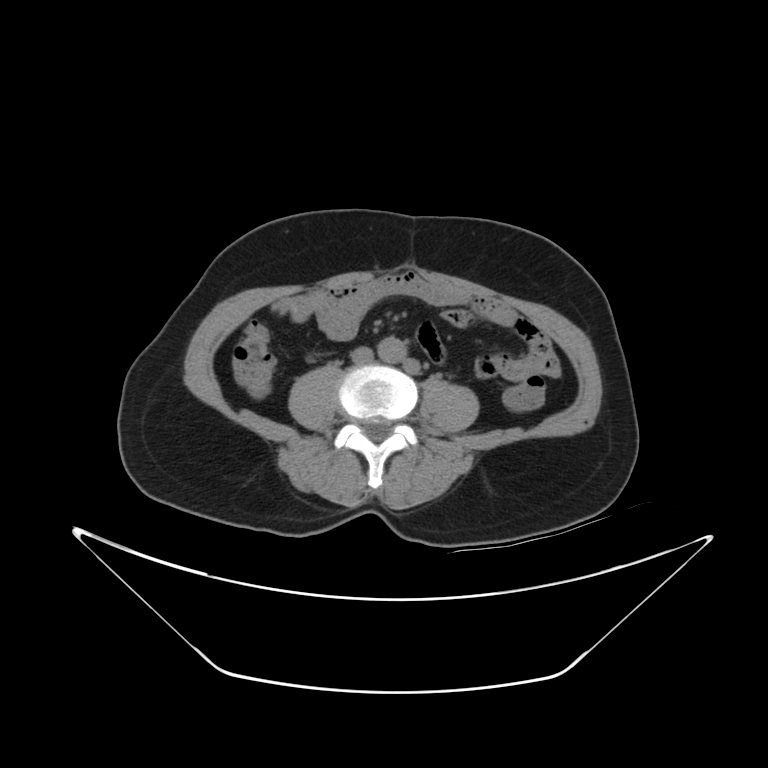 Abdominal CT · axial view · Brilliance16 scanner
Each box given as x1,y1,x2,y2.
aorta: x1=376, y1=336, x2=405, y2=365
inferior vena cava: x1=355, y1=349, x2=372, y2=366